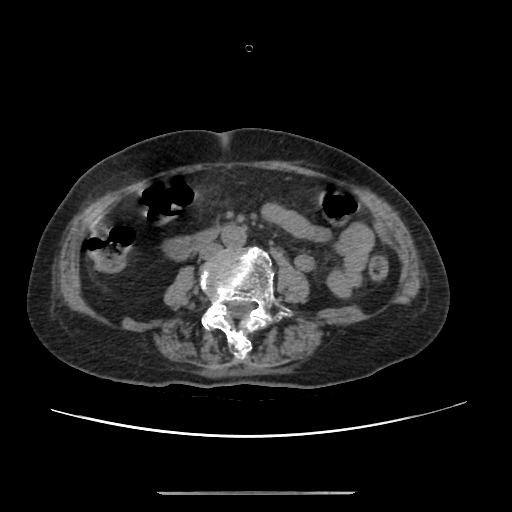 CT, abdomen/pelvis — axial view — abdomen soft-tissue window
Boxes: x1 y1 x2 y2 (pixel coords, space-separated).
Organ bounding boxes:
- aorta: 222 225 247 247
- inferior vena cava: 199 243 222 259
- duodenum: 167 228 218 257